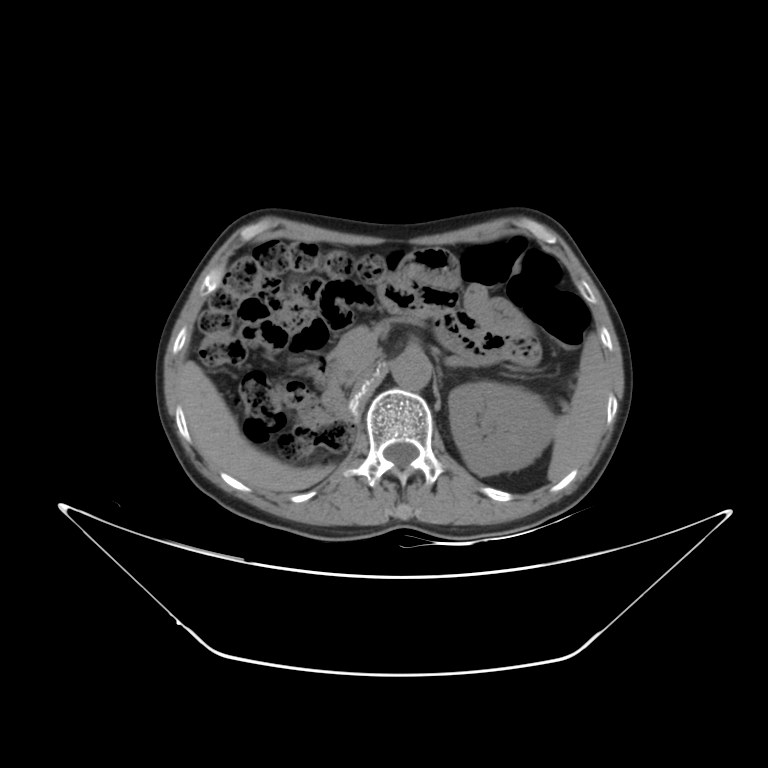 CT abdomen — axial view — acquired on Brilliance16
Bounding boxes in pixels, one row per box: x1, y1 is the top-left corner and x2, y2 the bottom-right.
| organ | x1 | y1 | x2 | y2 |
|---|---|---|---|---|
| spleen | 548 | 334 | 610 | 481 |
| left kidney | 448 | 382 | 555 | 476 |
| liver | 177 | 361 | 330 | 491 |
| aorta | 392 | 351 | 431 | 390 |
| inferior vena cava | 354 | 370 | 372 | 390 |
| pancreas | 331 | 321 | 388 | 384 |
| left adrenal gland | 444 | 356 | 467 | 366 |
| duodenum | 311 | 356 | 345 | 416 |